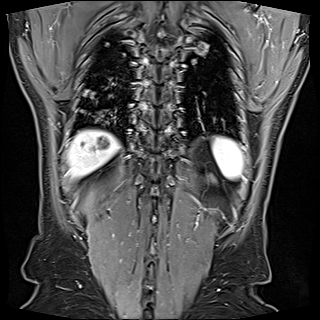

Magnetic resonance imaging, abdomen. coronal view. 1st–99th percentile window
Bounding boxes as [x1, y1, x2, y2] in pixel coordinates. 2 labeled organs on this slice — spleen at [212, 137, 242, 178]; liver at [68, 130, 118, 177].